Computed tomography, abdomen · axial view
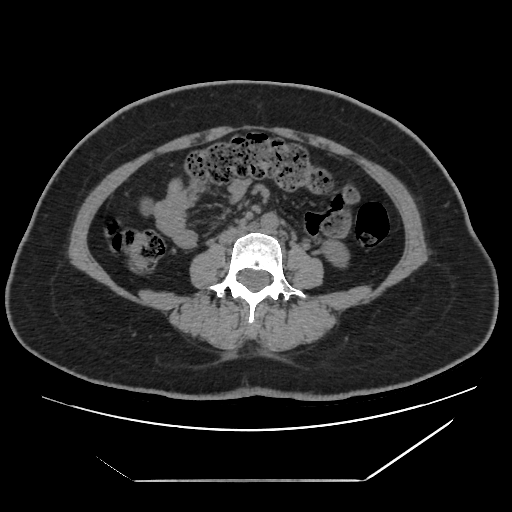

Coordinates as <box>x1,y1,x2,y2</box> in pixels. 3 labeled organs on this slice — aorta at <box>260,213,278,232</box>; left kidney at <box>324,241,346,264</box>; inferior vena cava at <box>219,225,252,243</box>.